Computed tomography, abdomen; axial view; 512x512 px
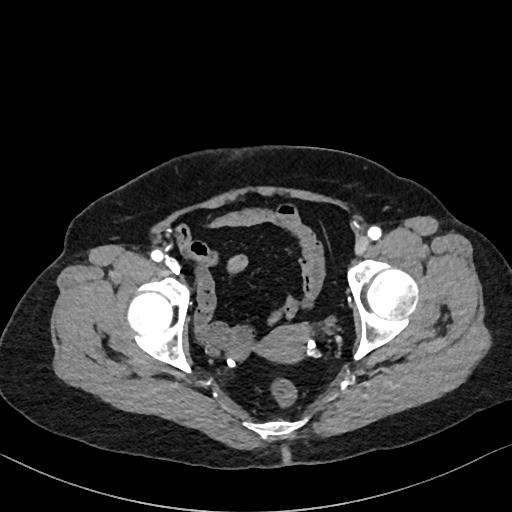

Each box given as x1,y1,x2,y2.
prostate/uterus: x1=258, y1=325, x2=312, y2=363